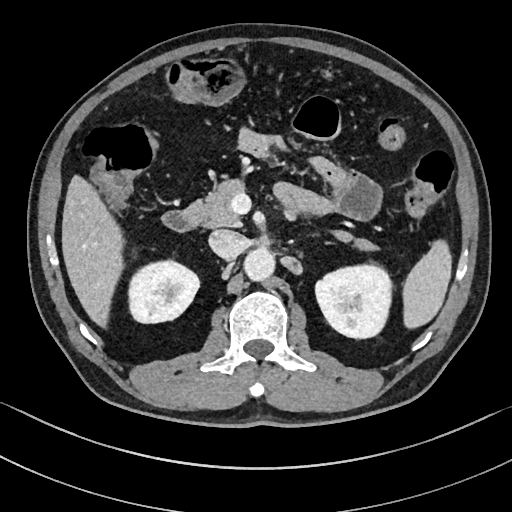
CT, abdomen/pelvis. axial view. 512x512 px
Bounding boxes in pixels, one row per box: x1, y1 is the top-left corner and x2, y2 the bottom-right.
| organ | x1 | y1 | x2 | y2 |
|---|---|---|---|---|
| pancreas | 185 | 181 | 373 | 248 |
| liver | 62 | 176 | 123 | 326 |
| left kidney | 315 | 264 | 392 | 337 |
| inferior vena cava | 208 | 230 | 246 | 258 |
| duodenum | 163 | 210 | 199 | 230 |
| spleen | 404 | 239 | 450 | 328 |
| aorta | 244 | 248 | 275 | 279 |
| right kidney | 128 | 262 | 199 | 322 |